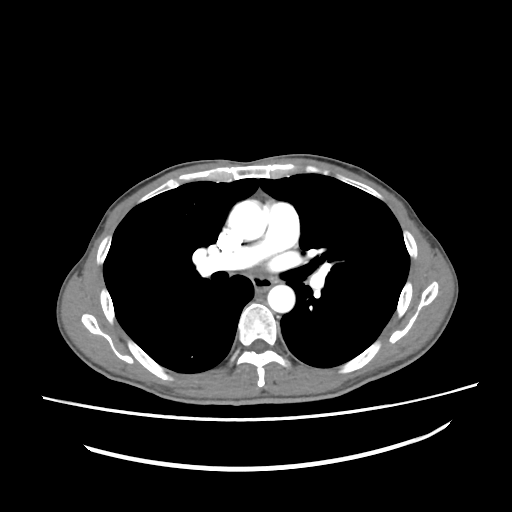

Chest-level CT slice, above the liver and spleen. axial plane, index 105. 512x512 px. acquired on Aquilion ONE
At this level of the chest no structure but the esophagus and the aorta has a label in this dataset, and those two are boxed only where they are labeled. Coordinates as <box>x1,y1,x2,y2</box> in pixels. The annotated organs in this slice are: aorta at <box>228,200,268,240</box>, aorta at <box>267,285,294,312</box>, esophagus at <box>252,276,270,290</box>.